Abdominal CT — axial view — 512x512 px — acquired on SOMATOM Force
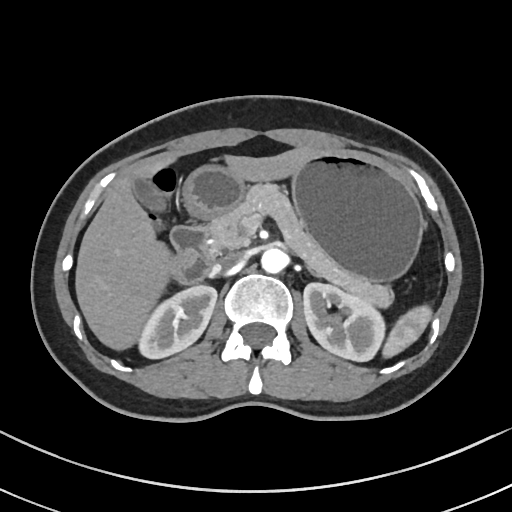
Boxes: x1:y1:x2:y2 in pixels. Labeled organs on this slice: gall bladder at 132:178:158:205, right kidney at 140:284:216:358, inferior vena cava at 214:252:244:271, duodenum at 169:226:214:282, left kidney at 303:282:386:360, aorta at 261:247:287:272, pancreas at 204:183:394:306, spleen at 381:306:431:358, stomach at 182:150:423:279, liver at 76:146:317:347.